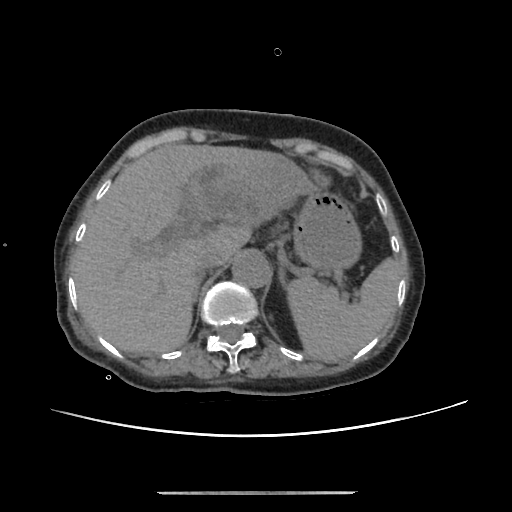

Computed tomography, abdomen; Axial slice 275/353; 512x512 px
Boxes: x1 y1 x2 y2 (pixel coords, space-separated).
spleen: 287 258 400 362
liver: 71 144 315 353
stomach: 293 190 361 273
aorta: 232 252 270 287
inferior vena cava: 195 251 219 278
left adrenal gland: 279 268 285 285